Abdominal CT; axial view; acquired on Brilliance16
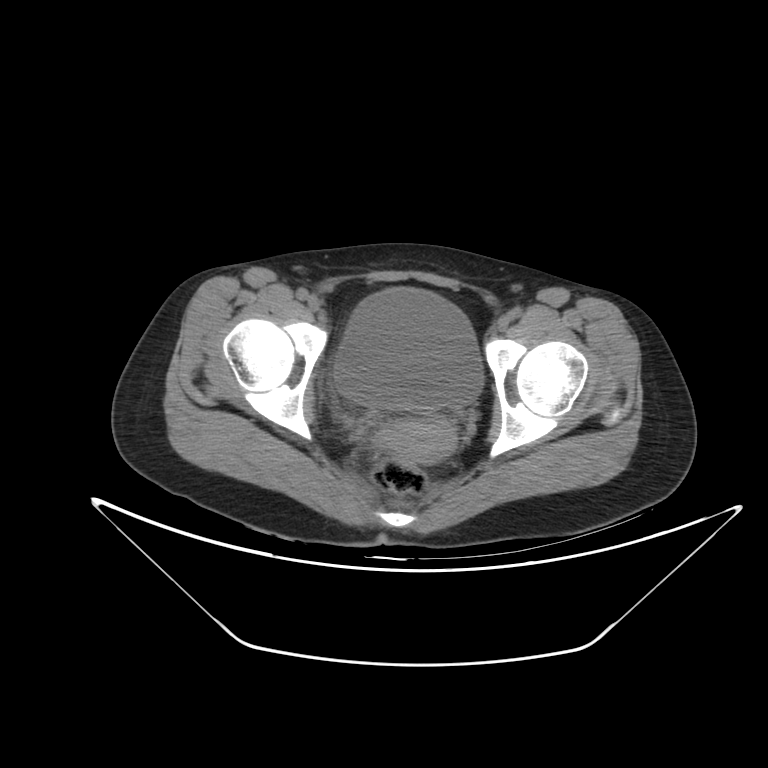
{"organs":{"bladder":[333,287,484,409],"prostate/uterus":[377,415,456,463]}}